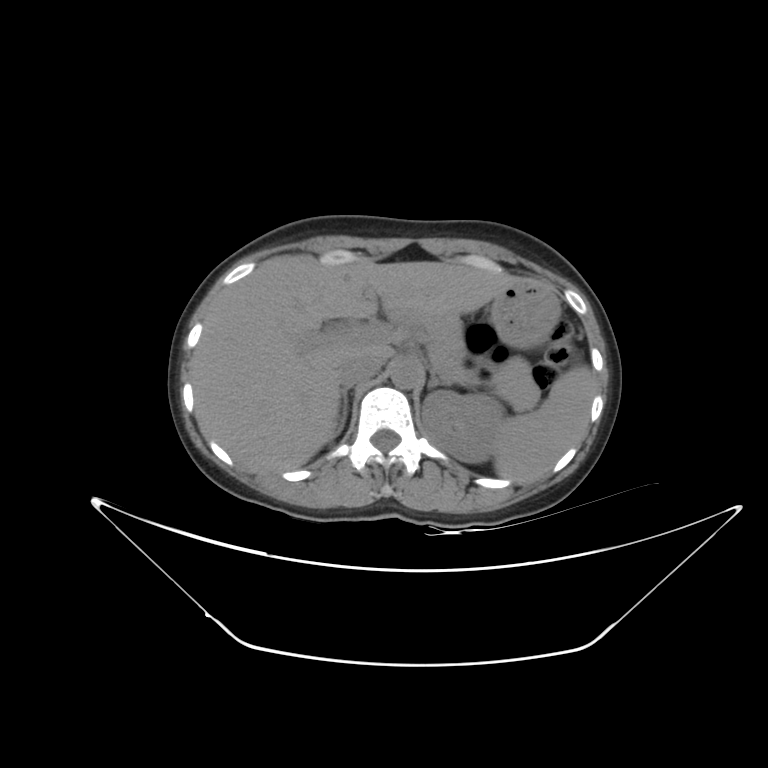

Abdominal CT · axial view · scan has 15 labeled organs (a whole-scan count: organs this slice does not pass through have no box)
Boxes are (x1, y1, x2, y2) in pixels.
Organ bounding boxes:
- spleen: (493, 365, 595, 484)
- left kidney: (421, 391, 503, 463)
- liver: (190, 256, 512, 473)
- stomach: (490, 282, 559, 348)
- aorta: (391, 360, 421, 388)
- inferior vena cava: (337, 355, 384, 387)
- pancreas: (387, 312, 540, 410)
- right adrenal gland: (335, 388, 348, 435)
- left adrenal gland: (427, 372, 450, 388)